Abdominal CT · axial view · 512x512 px · 15 organs annotated in this scan (a whole-scan count: organs this slice does not pass through have no box)
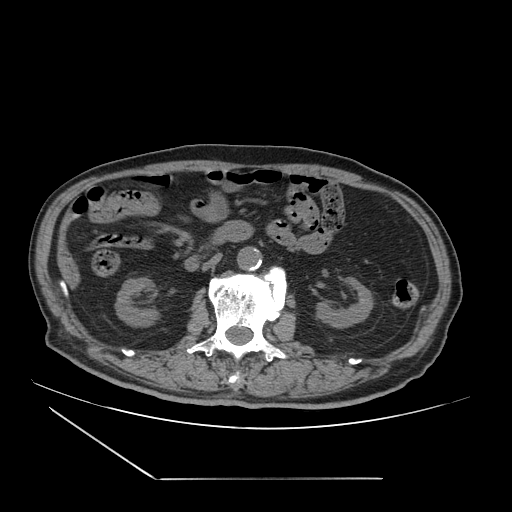

{"organs":{"right kidney":[115,277,159,326],"left kidney":[316,277,373,328],"aorta":[237,246,261,270],"inferior vena cava":[202,253,222,270],"duodenum":[185,220,253,270]}}